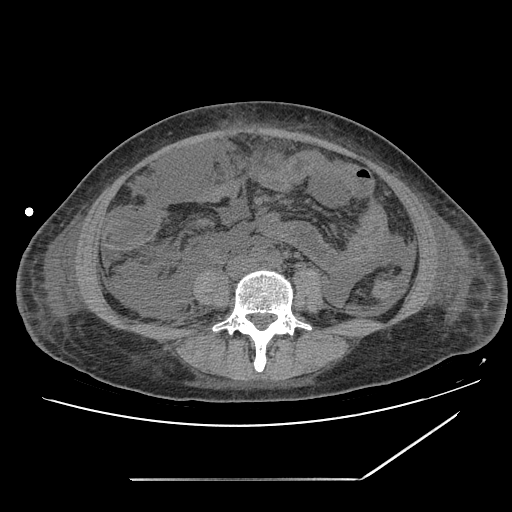
Abdominal CT. axial view. soft-tissue window. 512x512 px. acquired on SOMATOM Force
Boxes: x1 y1 x2 y2 (pixel coords, space-separated). 1 labeled organ on this slice — inferior vena cava at 227 257 257 277.